Chest-level slice from an abdominal CT that extends up into the chest — axial view — soft-tissue window — 512x512 px — Aquilion ONE scanner — scan has 14 labeled organs (that count is for the whole scan; organs this slice misses have no box)
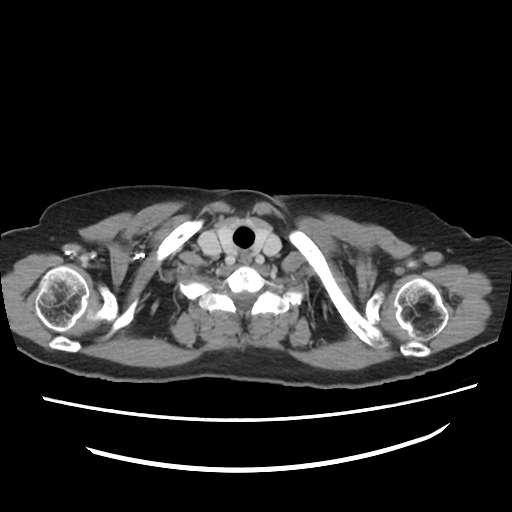

On a slice this high in the chest, this dataset labels only the esophagus and the aorta, and each is boxed only where it is labeled; the heart, lungs and other chest structures are not labeled.
Bounding boxes as [x1, y1, x2, y2] in pixel coordinates.
esophagus: [241, 253, 251, 265]